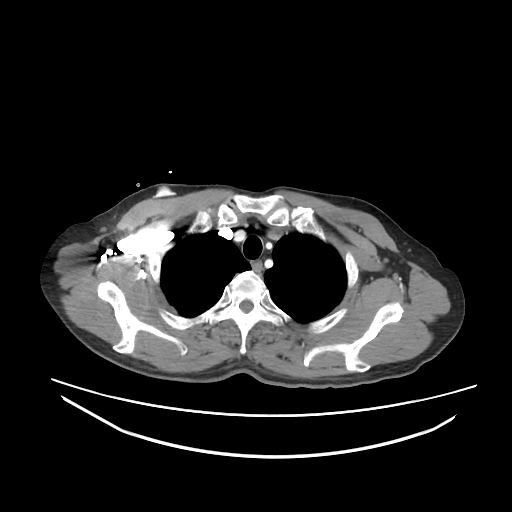 Chest-level CT slice, above the liver and spleen. axial view. 15 organs annotated in this scan (counted over the whole 3D scan, not this slice; an organ is boxed only where this slice passes through it)
At this level of the chest no structure but the esophagus and the aorta has a label in this dataset, and those two are boxed only where they are labeled.
Boxes are (x1, y1, x2, y2) in pixels.
Organ bounding boxes:
- esophagus: (250, 260, 261, 272)